Chest-level slice from an abdominal CT that extends up into the chest · axial plane, index 111 · 62-year-old male patient
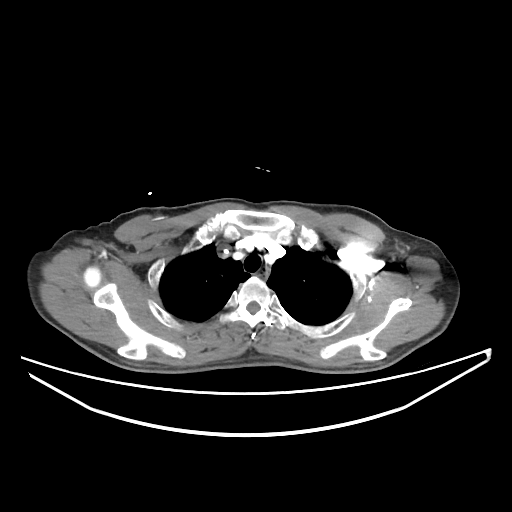
On a slice this high in the chest, this dataset labels only the esophagus and the aorta, and each is boxed only where it is labeled; the heart, lungs and other chest structures are not labeled.
{"organs":{"esophagus":[256,266,269,280]}}